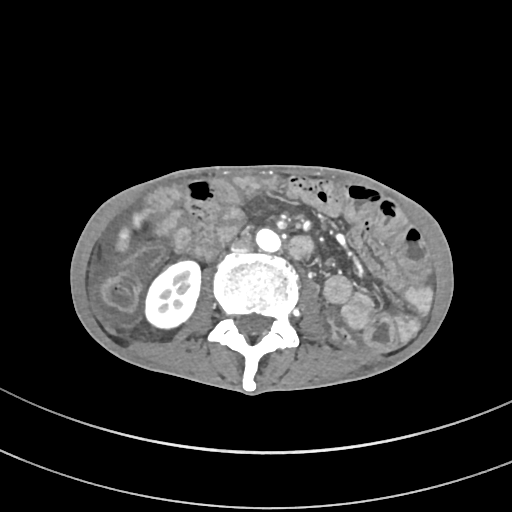 CT abdomen. axial view. soft-tissue window. SOMATOM Force scanner
One row per box, in pixels: columns x1 and y1 give the top-left corner, x2 and y2 the bottom-right.
| organ | x1 | y1 | x2 | y2 |
|---|---|---|---|---|
| right kidney | 146 | 261 | 200 | 328 |
| liver | 116 | 212 | 147 | 251 |
| aorta | 255 | 228 | 280 | 252 |
| inferior vena cava | 231 | 237 | 252 | 253 |